CT abdomen. axial plane, index 39. soft-tissue window (W 400 / L 40). 512x512 px
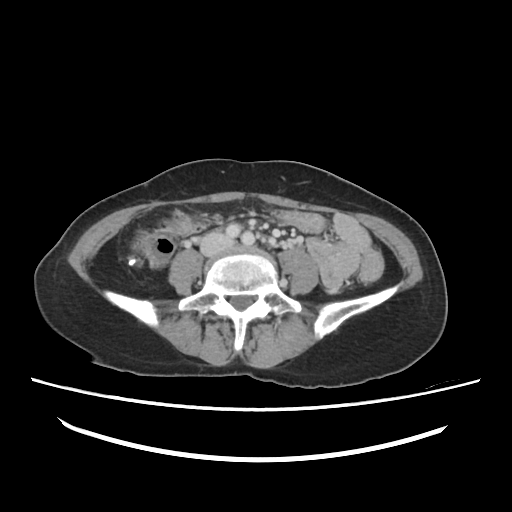 Box edges are left/top/right/bottom in pixels.
Organ bounding boxes:
- inferior vena cava: left=199, top=234, right=232, bottom=256